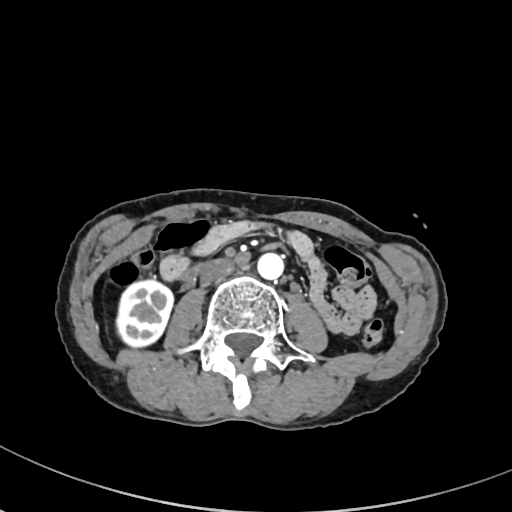 CT, abdomen/pelvis · axial view · scan has 15 labeled organs (a whole-scan count: organs this slice does not pass through have no box)
Boxes: x1:y1:x2:y2 in pixels. 4 labeled organs on this slice — right kidney at 117:280:171:347; aorta at 257:252:284:279; inferior vena cava at 200:259:233:285; duodenum at 179:261:204:282.